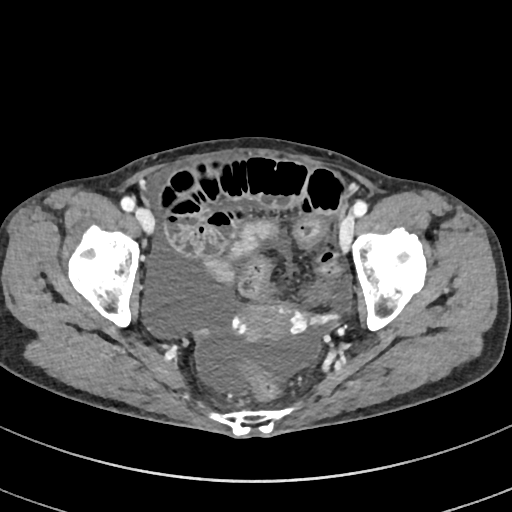
CT, abdomen/pelvis; axial view; W/L 400/40 HU; 512x512 px
{"organs":{"prostate/uterus":[240,302,294,340]}}